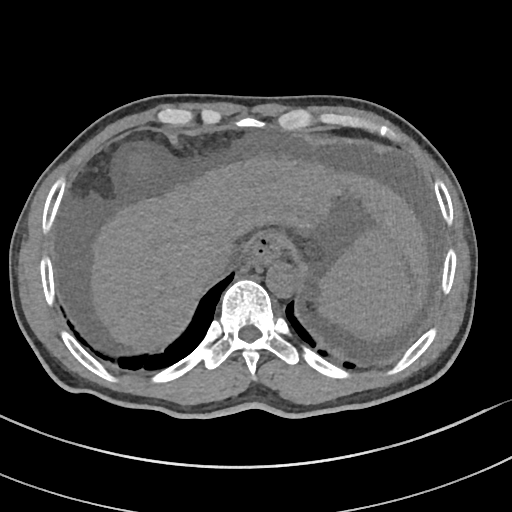

CT abdomen; axial view; 512x512 px
Boxes: x1 y1 x2 y2 (pixel coords, space-separated). The annotated organs in this slice are: spleen at 317 228 413 340, gall bladder at 130 155 151 177, esophagus at 250 233 280 264, liver at 90 154 431 350, aorta at 266 262 299 297, inferior vena cava at 206 248 234 276.